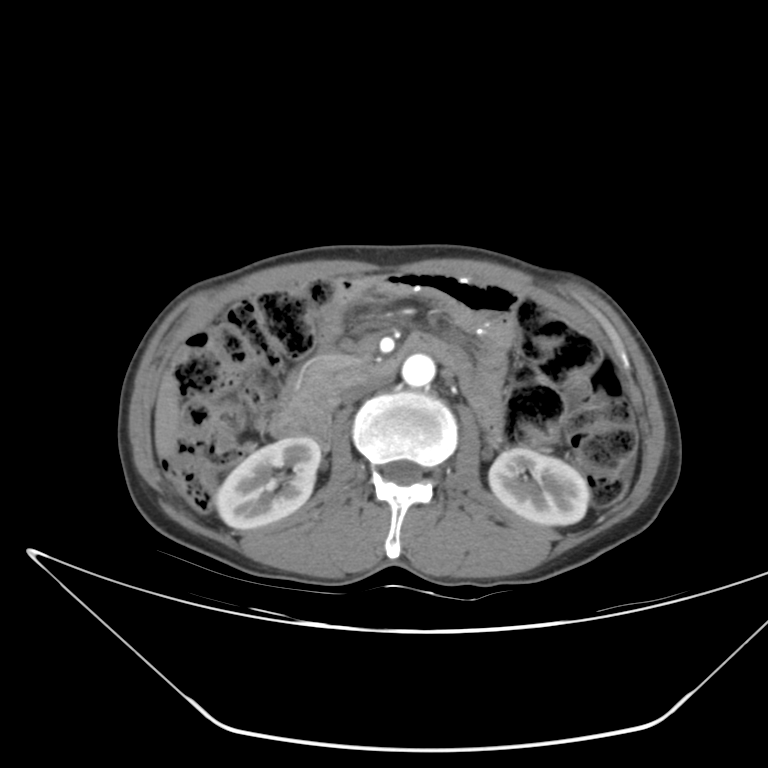
Abdominal CT. axial view. soft-tissue window (W 400 / L 40). 62-year-old male patient. Brilliance16 scanner
{"organs":{"duodenum":[269,340,427,445],"aorta":[402,354,435,387],"left kidney":[488,447,589,525],"inferior vena cava":[343,377,387,404],"right kidney":[215,438,321,529],"pancreas":[304,354,368,392],"liver":[154,369,181,459]}}